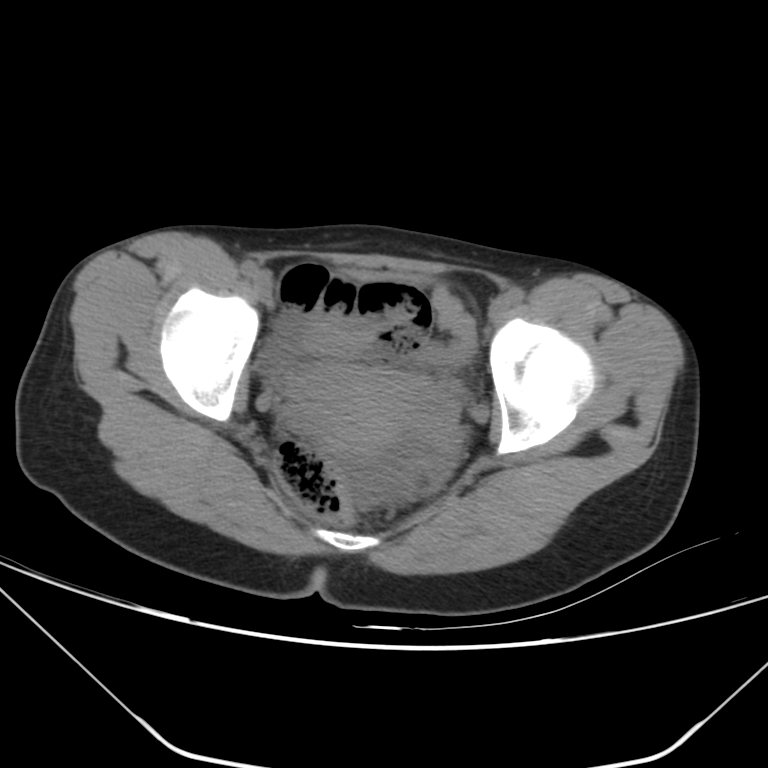

Abdominal CT; axial plane, index 9; Brilliance16 scanner
Organ boxes in pixel coordinates; each row gives the top-left (x1, y1) and bottom-right (x2, y2) corners.
| organ | x1 | y1 | x2 | y2 |
|---|---|---|---|---|
| prostate/uterus | 311 | 369 | 430 | 453 |